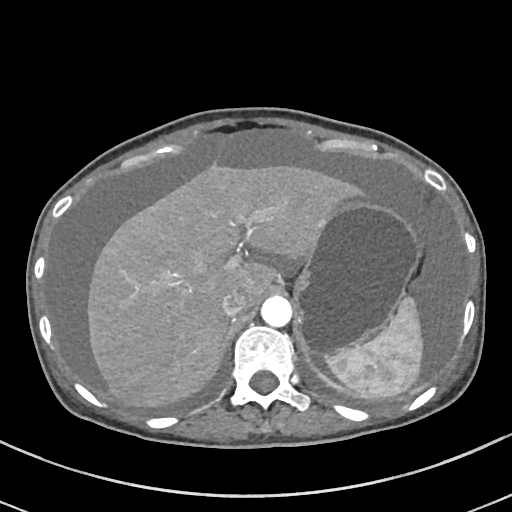

Abdominal CT · axial view · SOMATOM Force scanner · 15 organs annotated in this scan (counted over the whole 3D scan, not this slice; an organ is boxed only where this slice passes through it)
<organs><organ name="spleen" x1="326" y1="296" x2="423" y2="399"/><organ name="liver" x1="87" y1="164" x2="358" y2="407"/><organ name="stomach" x1="295" y1="196" x2="419" y2="356"/><organ name="aorta" x1="261" y1="296" x2="291" y2="326"/><organ name="inferior vena cava" x1="221" y1="289" x2="248" y2="316"/></organs>